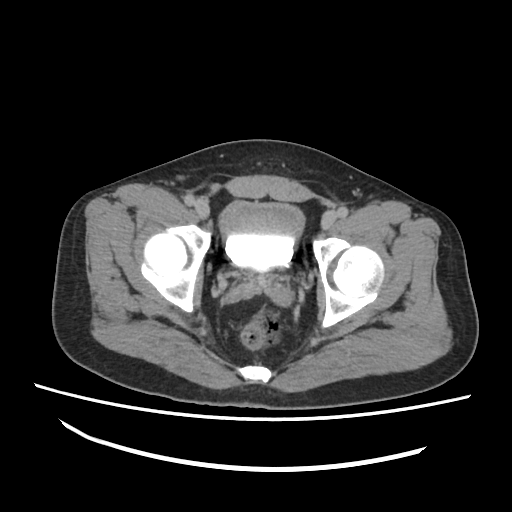

Computed tomography, abdomen; axial plane, index 20; Aquilion ONE scanner
Bounding boxes as [x1, y1, x2, y2] in pixel coordinates.
Organ bounding boxes:
- bladder: [220, 199, 307, 271]